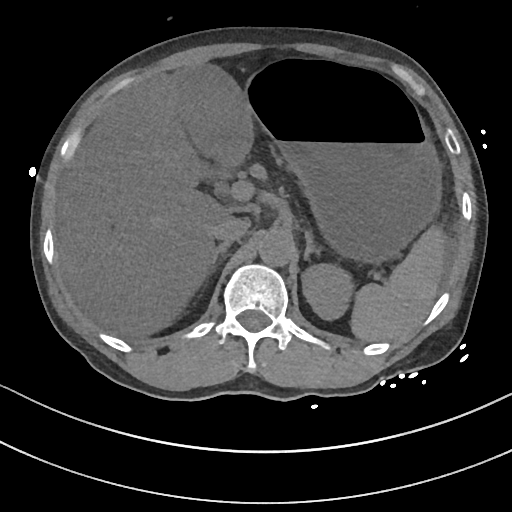

Abdominal CT; Axial slice 181/252; 512x512 px; 15 organs annotated in this scan (a whole-scan count: organs this slice does not pass through have no box)
Bounding boxes in pixels, one row per box: x1, y1 is the top-left corner and x2, y2 the bottom-right.
| organ | x1 | y1 | x2 | y2 |
|---|---|---|---|---|
| spleen | 350 | 226 | 445 | 341 |
| left kidney | 302 | 264 | 353 | 320 |
| gall bladder | 178 | 66 | 251 | 165 |
| liver | 56 | 69 | 224 | 338 |
| stomach | 247 | 62 | 441 | 263 |
| aorta | 258 | 229 | 294 | 266 |
| inferior vena cava | 212 | 216 | 250 | 241 |
| right adrenal gland | 208 | 242 | 231 | 271 |
| left adrenal gland | 303 | 231 | 321 | 260 |